Computed tomography, abdomen; Axial slice 40/175; soft-tissue window
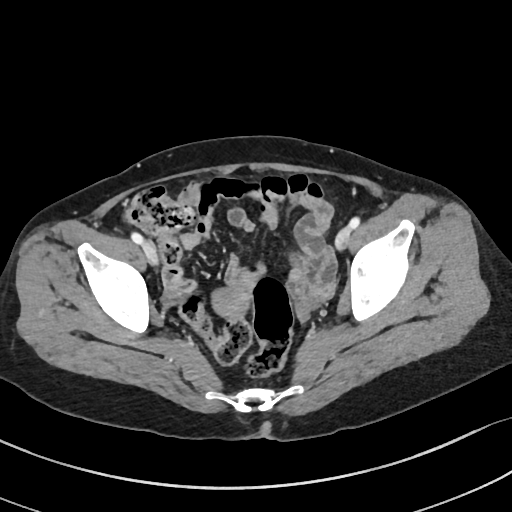 <organs><organ name="prostate/uterus" x1="209" y1="287" x2="251" y2="320"/></organs>